Computed tomography, abdomen · Axial slice 26/234 · soft-tissue window (W 400 / L 40) · 15 organs annotated in this scan (counted over the whole 3D scan, not this slice; an organ is boxed only where this slice passes through it)
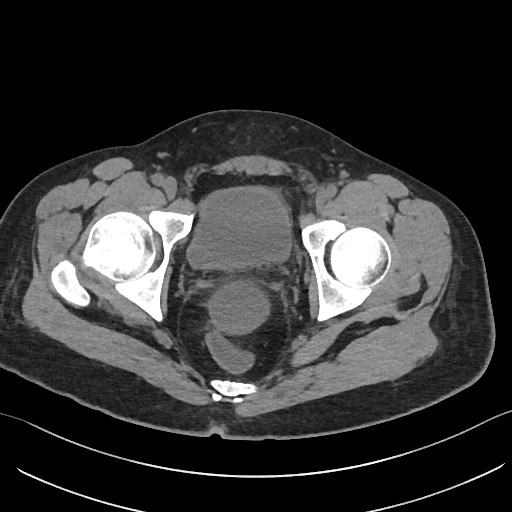
<organs><organ name="bladder" x1="187" y1="187" x2="289" y2="267"/></organs>